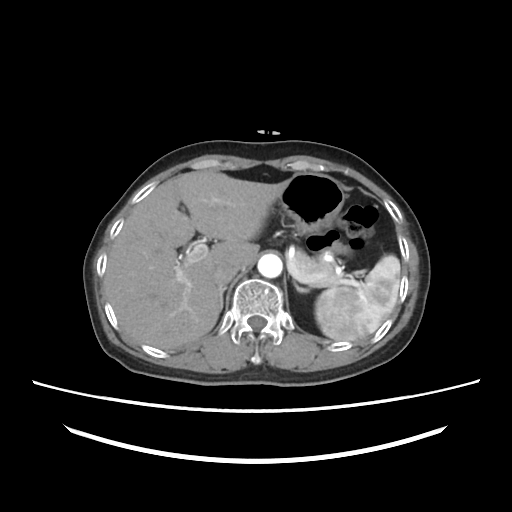 Computed tomography, abdomen · Axial slice 75/96 · 512x512 px · 62-year-old female patient
Coordinates as <box>x1,y1,x2,y2</box> in pixels.
Organ bounding boxes:
- pancreas: <box>290,249,341,287</box>
- inferior vena cava: <box>211,262,238,286</box>
- liver: <box>104,170,287,349</box>
- spleen: <box>315,255,400,341</box>
- right adrenal gland: <box>219,287,226,309</box>
- aorta: <box>258,254,282,277</box>
- left adrenal gland: <box>295,284,308,291</box>
- stomach: <box>279,173,344,235</box>